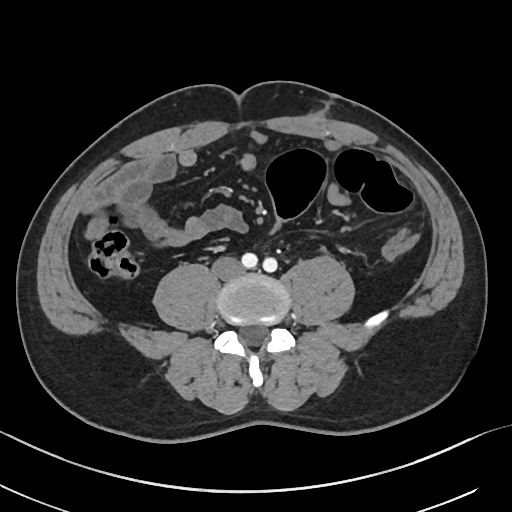
Abdominal CT · axial view · 512x512 px · SOMATOM Force scanner · scan has 15 labeled organs (a whole-scan count: organs this slice does not pass through have no box)
Boxes: x1 y1 x2 y2 (pixel coords, space-separated).
inferior vena cava: 212 256 244 279